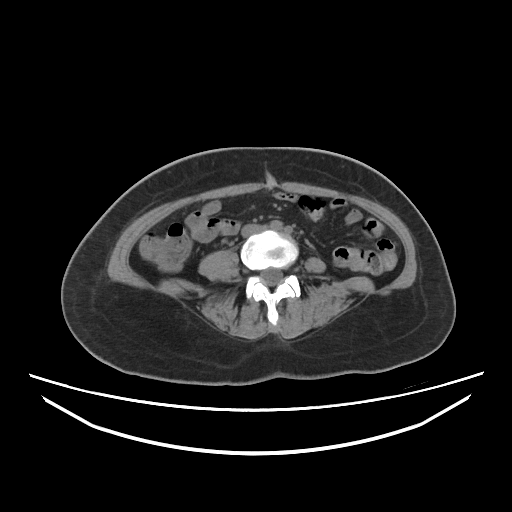
Computed tomography, abdomen · Axial slice 48/97 · 512x512 px · Aquilion ONE scanner
{"organs":{"inferior vena cava":[241,224,266,237]}}